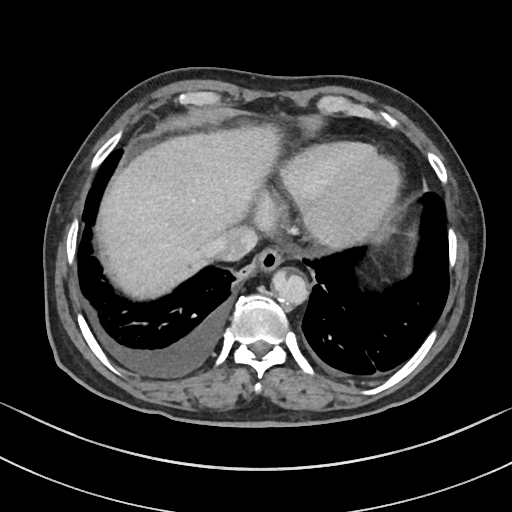

CT abdomen. axial view. W/L 400/40 HU. 512x512 px
{"organs":{"esophagus":[256,249,283,273],"inferior vena cava":[208,224,259,259],"aorta":[273,272,308,306],"liver":[99,126,277,296]}}